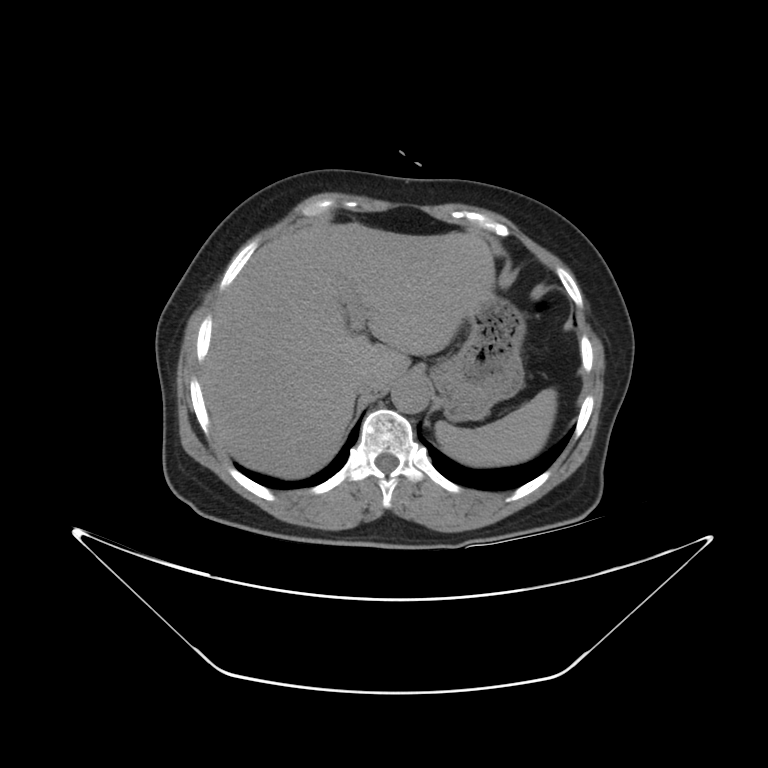

CT, abdomen/pelvis — axial view — soft-tissue window — 56-year-old female patient
{"organs":{"spleen":[435,388,556,466],"liver":[200,221,496,477],"aorta":[389,376,431,413],"inferior vena cava":[356,373,383,394],"stomach":[430,296,524,422]}}